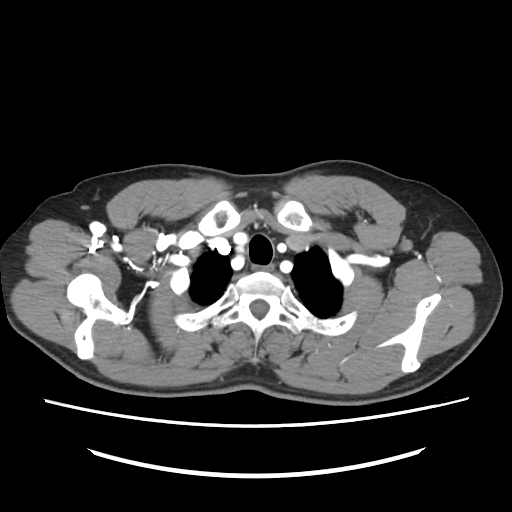

Abdominal CT reaching into the chest; this slice is in the chest · axial view · 512x512 px
On a slice this high in the chest, this dataset labels only the esophagus and the aorta, and each is boxed only where it is labeled; the heart, lungs and other chest structures are not labeled.
<organs><organ name="esophagus" x1="251" y1="265" x2="273" y2="270"/></organs>